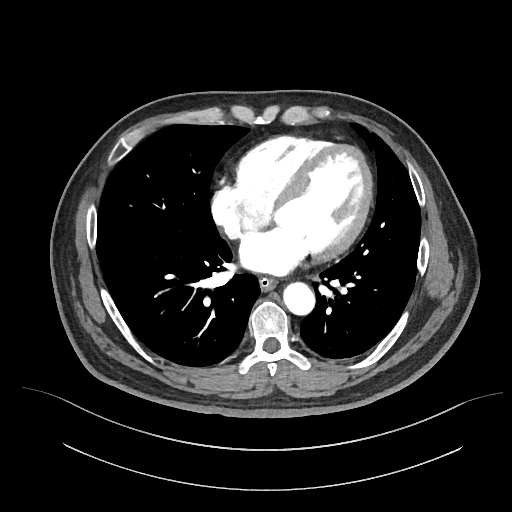 CT of the abdomen reaching into the lower chest, slice just above the liver and spleen; axial view; soft-tissue window, W/L 400/40; 512x512 px
The heart and lungs are never labeled in this dataset, so they have no box on this slice.
Box edges are left/top/right/bottom in pixels.
Organ bounding boxes:
- esophagus: left=259, top=279, right=276, bottom=292
- aorta: left=284, top=283, right=315, bottom=316